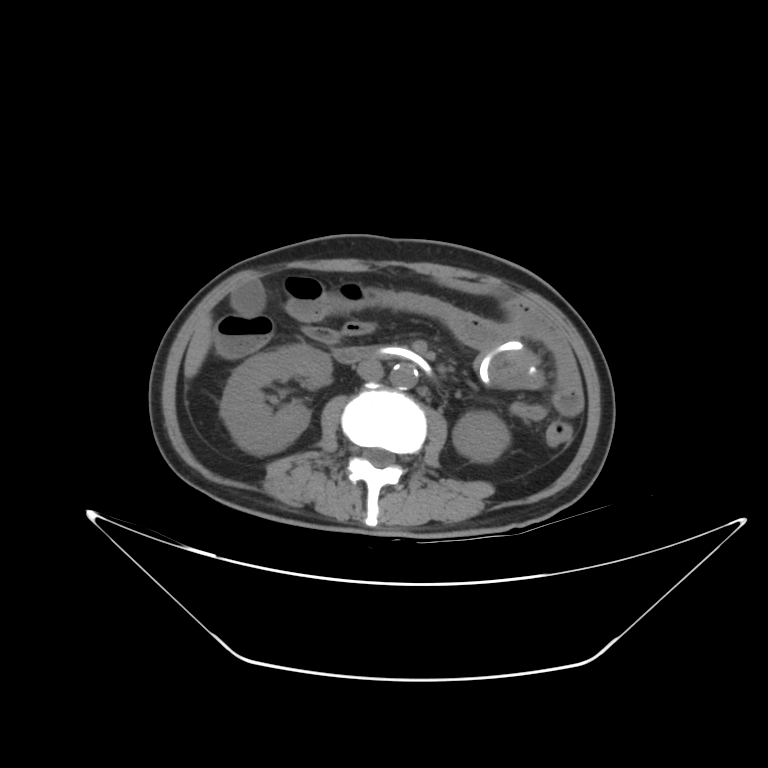

Abdominal CT; Axial slice 56/101; 15 organs annotated in this scan (that count is for the whole scan; organs this slice misses have no box)
<organs><organ name="right kidney" x1="221" y1="344" x2="331" y2="454"/><organ name="left kidney" x1="453" y1="411" x2="509" y2="461"/><organ name="gall bladder" x1="232" y1="283" x2="264" y2="313"/><organ name="liver" x1="184" y1="319" x2="211" y2="378"/><organ name="aorta" x1="390" y1="363" x2="418" y2="389"/><organ name="inferior vena cava" x1="357" y1="359" x2="383" y2="379"/><organ name="duodenum" x1="332" y1="347" x2="431" y2="374"/></organs>